CT abdomen · axial plane, index 226 · abdomen soft-tissue window · 512x512 px
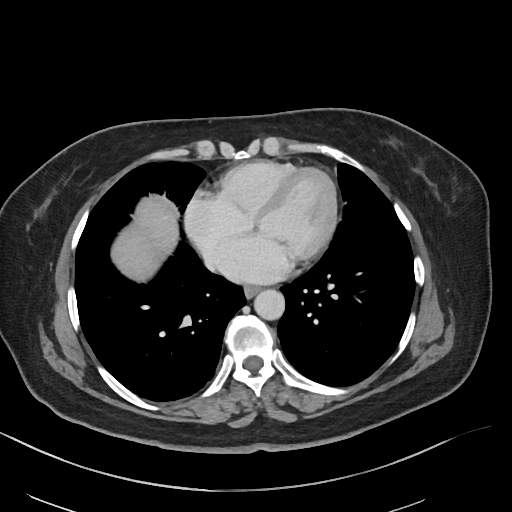 Boxes are (x1, y1, x2, y2) in pixels.
Organ bounding boxes:
- aorta: (253, 289, 284, 319)
- liver: (109, 193, 180, 283)
- esophagus: (245, 284, 261, 296)
- inferior vena cava: (205, 256, 216, 269)